Computed tomography, abdomen; axial plane, index 111; SOMATOM Force scanner; 14 organs annotated in this scan (counted over the whole 3D scan, not this slice; an organ is boxed only where this slice passes through it)
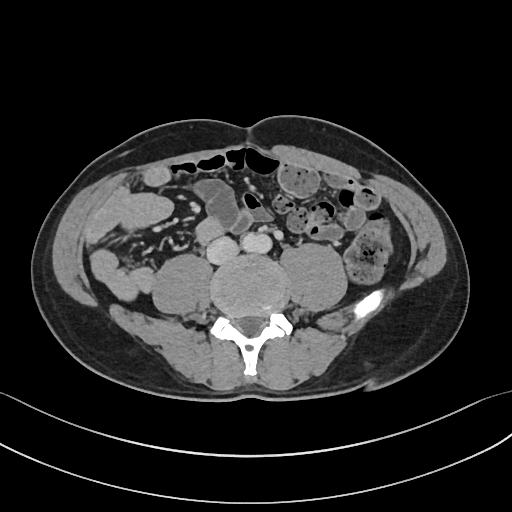 {"organs":{"aorta":[241,232,271,253],"inferior vena cava":[206,237,238,264]}}